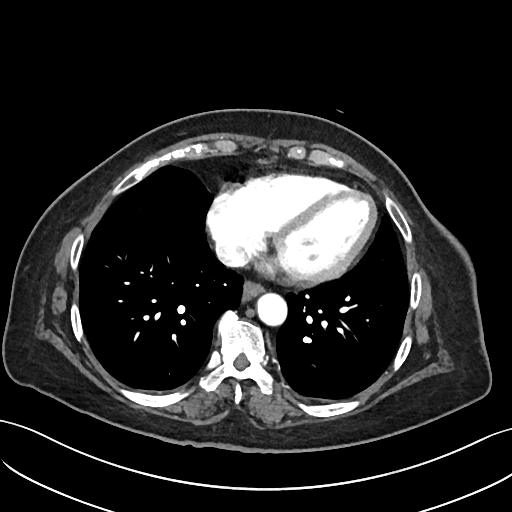
CT of the abdomen reaching into the lower chest, slice just above the liver and spleen — Axial slice 188/276 — soft-tissue window — 512x512 px — SOMATOM Force scanner
Of the structures in the chest, this dataset labels only the esophagus, the aorta and the inferior vena cava; the heart and lungs have no label. Each box given as x1,y1,x2,y2. The annotated organs in this slice are: inferior vena cava at x1=215, y1=239, x2=247, y2=266, esophagus at x1=243, y1=281, x2=263, y2=298, aorta at x1=257, y1=292, x2=286, y2=324.